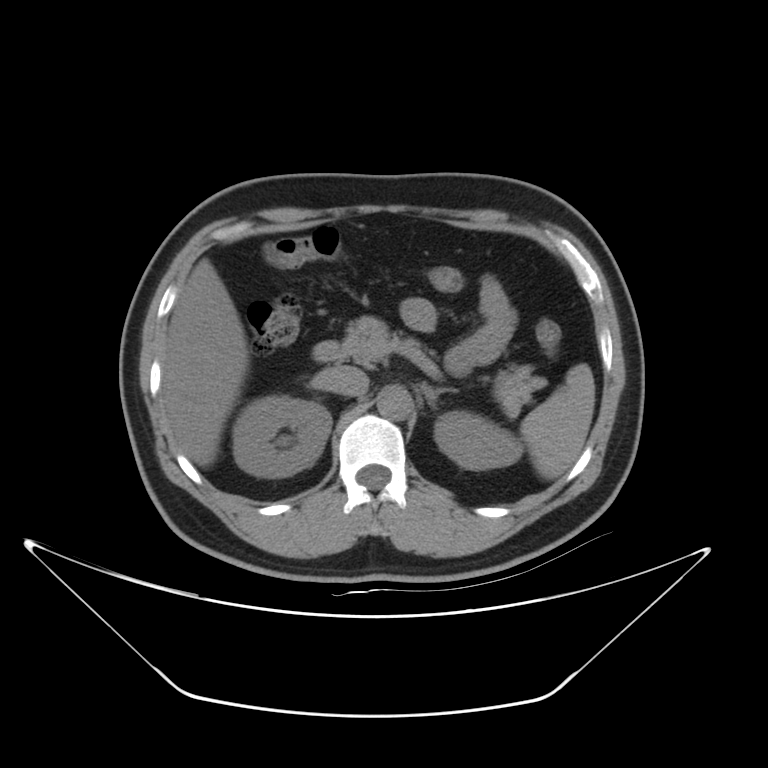

CT abdomen — Axial slice 76/93 — abdomen soft-tissue window — 40-year-old male patient — 15 organs annotated in this scan (counted over the whole 3D scan, not this slice; an organ is boxed only where this slice passes through it)
Boxes are (x1, y1, x2, y2) in pixels. The annotated organs in this slice are: spleen at (521, 363, 594, 480), right kidney at (232, 396, 330, 477), left kidney at (434, 411, 521, 469), liver at (162, 259, 248, 465), aorta at (376, 385, 411, 420), inferior vena cava at (316, 366, 368, 396), pancreas at (340, 316, 545, 418), left adrenal gland at (421, 383, 458, 407), duodenum at (312, 340, 339, 361).